CT abdomen. Axial slice 229/333. 512x512 px. acquired on SOMATOM Force
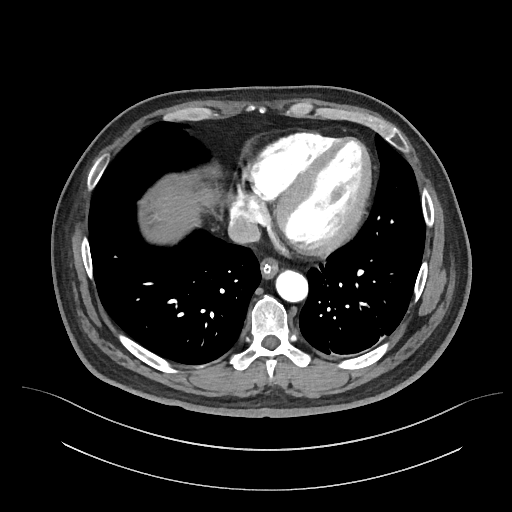
<organs><organ name="esophagus" x1="260" y1="259" x2="278" y2="279"/><organ name="liver" x1="140" y1="179" x2="198" y2="239"/><organ name="aorta" x1="276" y1="271" x2="308" y2="302"/><organ name="inferior vena cava" x1="228" y1="217" x2="260" y2="243"/></organs>